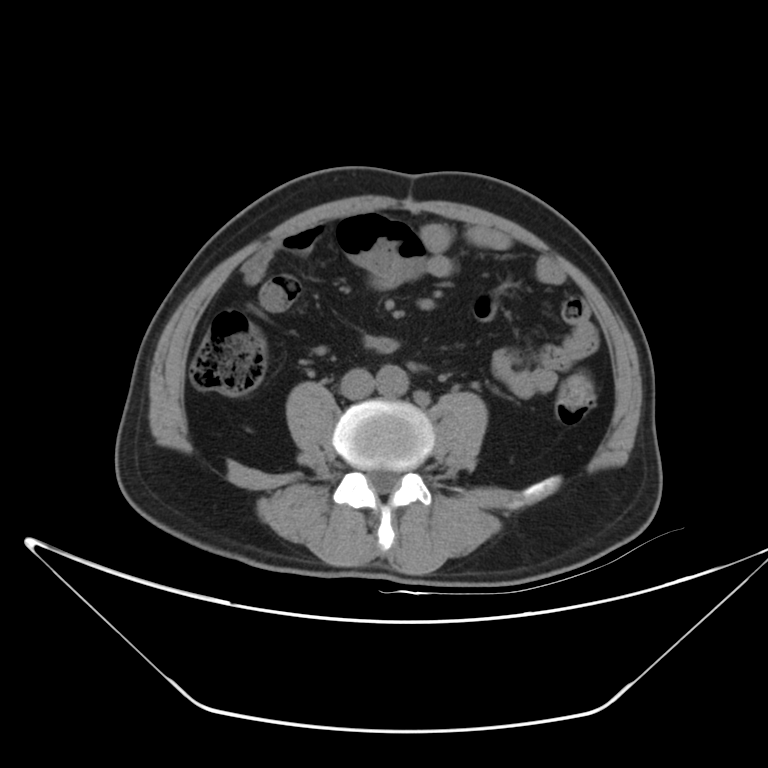

Computed tomography, abdomen — axial view — soft-tissue window (W 400 / L 40) — 56-year-old male patient — 14 organs annotated in this scan (a whole-scan count: organs this slice does not pass through have no box)
Organ boxes in pixel coordinates; each row gives the top-left (x1, y1) and bottom-right (x2, y2) corners.
| organ | x1 | y1 | x2 | y2 |
|---|---|---|---|---|
| aorta | 375 | 364 | 409 | 397 |
| inferior vena cava | 340 | 368 | 374 | 399 |